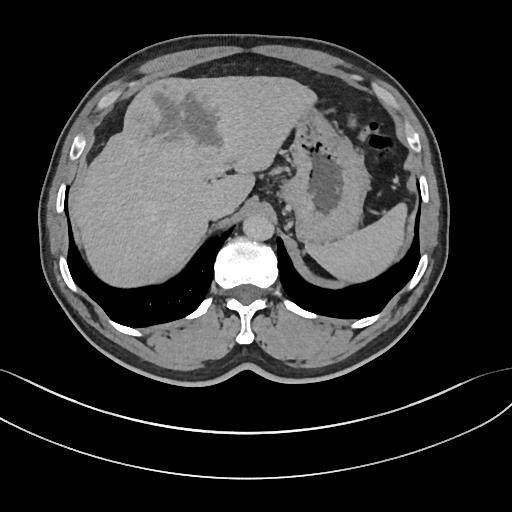

CT, abdomen/pelvis · axial view · soft-tissue window
<organs><organ name="aorta" x1="243" y1="215" x2="274" y2="240"/><organ name="stomach" x1="283" y1="104" x2="369" y2="244"/><organ name="spleen" x1="306" y1="202" x2="408" y2="283"/><organ name="liver" x1="70" y1="75" x2="314" y2="289"/><organ name="inferior vena cava" x1="202" y1="196" x2="232" y2="219"/></organs>